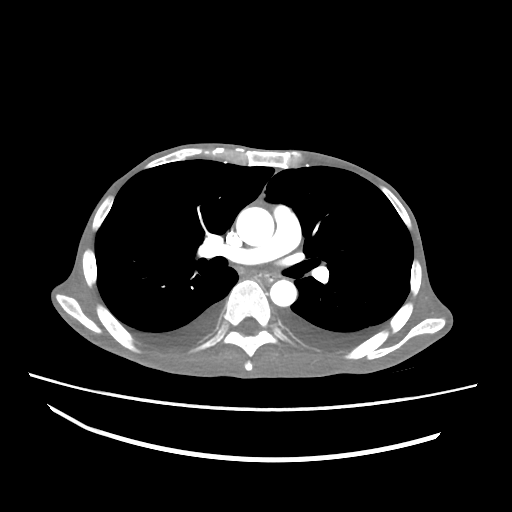
Chest-level slice from an abdominal CT that extends up into the chest; axial view
On a slice this high in the chest, this dataset labels only the esophagus and the aorta, and each is boxed only where it is labeled; the heart, lungs and other chest structures are not labeled.
Box edges are left/top/right/bottom in pixels.
esophagus: left=254, top=271, right=274, bottom=281
aorta: left=236, top=207, right=274, bottom=245
aorta: left=270, top=280, right=296, bottom=306